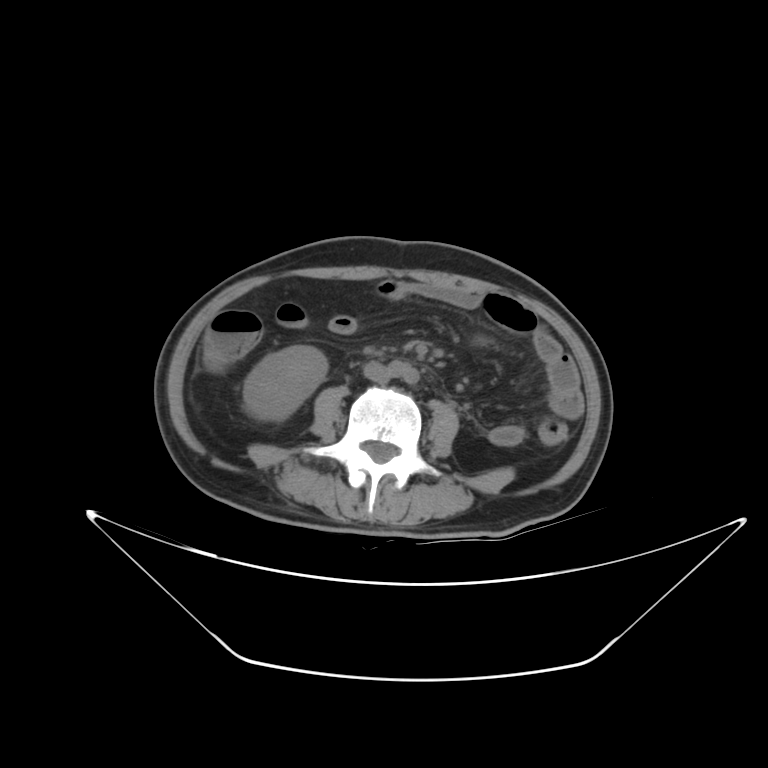

Computed tomography, abdomen. axial view. abdomen soft-tissue window. 55-year-old male patient. Brilliance16 scanner
Coordinates as <box>x1,y1,x2,y2</box> in pixels.
Organ bounding boxes:
- right kidney: <box>243,345,327,420</box>
- inferior vena cava: <box>363,361,391,383</box>